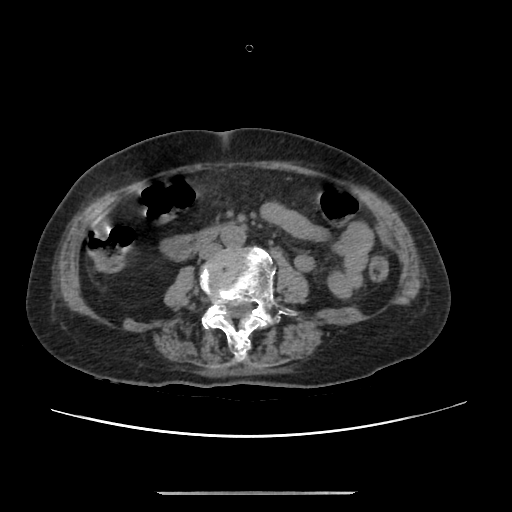 Abdominal CT. axial view. 14 organs annotated in this scan (counted over the whole 3D scan, not this slice; an organ is boxed only where this slice passes through it)
Coordinates as <box>x1,y1,x2,y2</box> in pixels.
duodenum: <box>163,226,216,256</box>
inferior vena cava: <box>198,242,220,258</box>
aorta: <box>220,223,245,246</box>